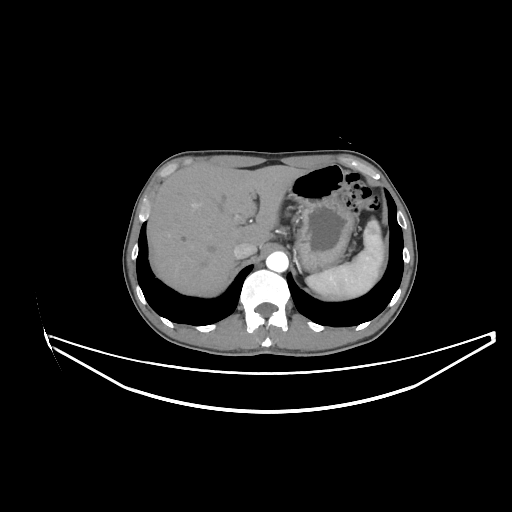

CT abdomen. axial view. soft-tissue window. 512x512 px. 52-year-old male patient
<organs><organ name="aorta" x1="266" y1="251" x2="288" y2="272"/><organ name="inferior vena cava" x1="233" y1="242" x2="257" y2="258"/><organ name="stomach" x1="288" y1="164" x2="354" y2="270"/><organ name="right adrenal gland" x1="236" y1="262" x2="238" y2="264"/><organ name="spleen" x1="305" y1="218" x2="384" y2="299"/><organ name="liver" x1="148" y1="162" x2="306" y2="296"/></organs>